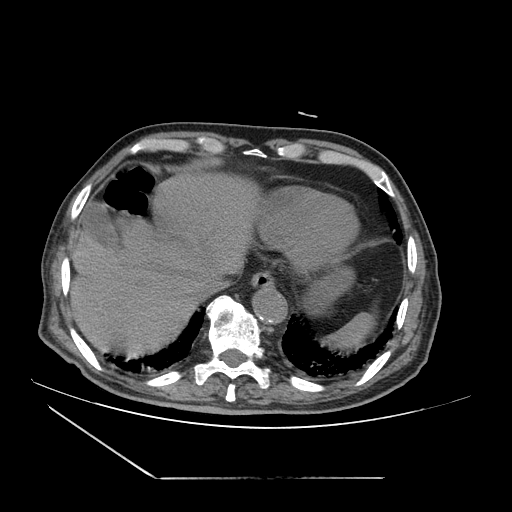
Abdominal CT · axial view · soft-tissue window (W 400 / L 40) · 512x512 px · SOMATOM Force scanner
Boxes: x1 y1 x2 y2 (pixel coords, space-separated).
Organ bounding boxes:
- spleen: 323 312 375 349
- gall bladder: 82 202 120 247
- esophagus: 250 271 273 288
- liver: 70 171 257 357
- stomach: 302 264 355 316
- aorta: 252 287 287 323
- inferior vena cava: 197 276 228 296